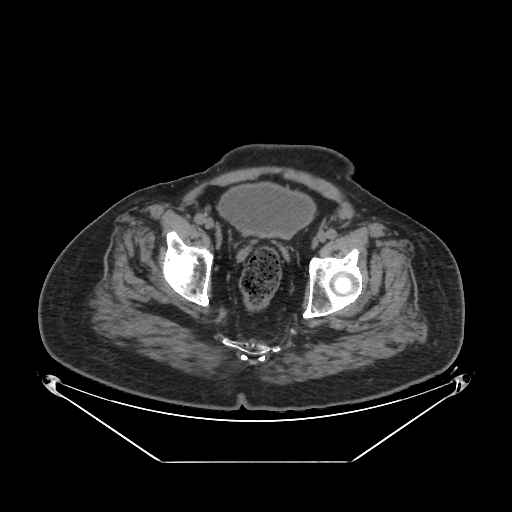
CT, abdomen/pelvis — axial plane, index 55 — 512x512 px
Bounding boxes as [x1, y1, x2, y2] in pixel coordinates. The annotated organs in this slice are: bladder at [218, 184, 314, 238].